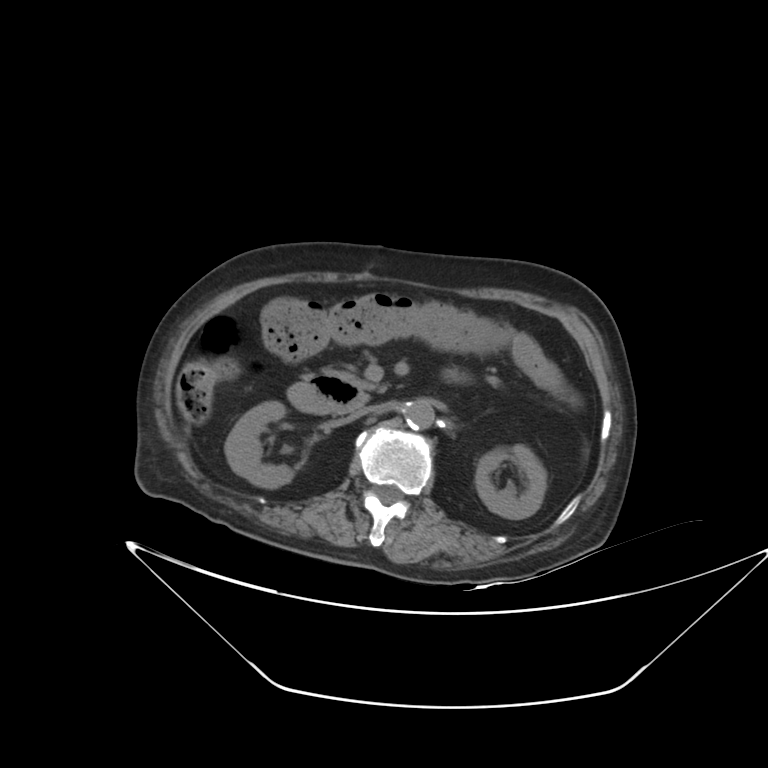 Computed tomography, abdomen — axial view — 80-year-old female patient — scan has 15 labeled organs (counted over the whole 3D scan, not this slice; an organ is boxed only where this slice passes through it)
Bounding boxes in pixels, one row per box: x1, y1 is the top-left corner and x2, y2 the bottom-right.
| organ | x1 | y1 | x2 | y2 |
|---|---|---|---|---|
| right kidney | 225 | 401 | 294 | 488 |
| left kidney | 475 | 444 | 546 | 519 |
| aorta | 405 | 400 | 434 | 429 |
| inferior vena cava | 351 | 404 | 382 | 418 |
| pancreas | 349 | 375 | 388 | 395 |
| duodenum | 287 | 372 | 367 | 414 |